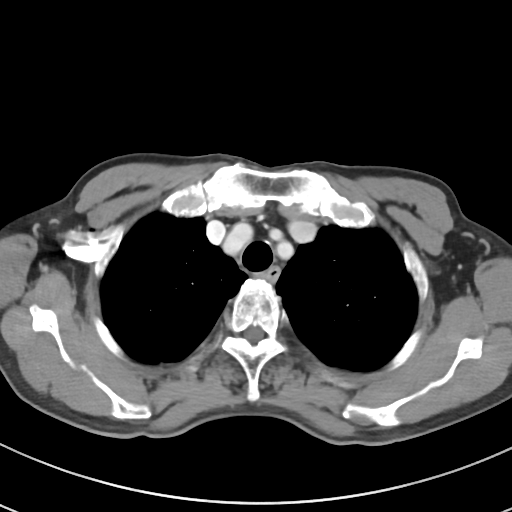

Abdominal CT reaching into the chest; this slice is in the chest · axial view · W/L 400/40 HU · scan has 15 labeled organs (counted over the whole 3D scan, not this slice; an organ is boxed only where this slice passes through it)
At this level of the chest this dataset labels only the esophagus and the aorta, and each is boxed only where it is labeled; the heart and lungs are never labeled. Boxes: x1:y1:x2:y2 in pixels. Labeled organs on this slice: esophagus at 255:267:280:281.